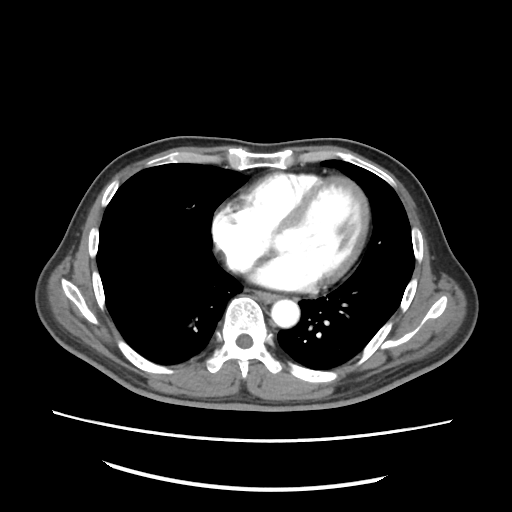
Lower-chest slice from an abdominal CT, just above the liver and spleen; axial view; 54-year-old male patient; acquired on Aquilion ONE; 15 organs annotated in this scan (that count is for the whole scan; organs this slice misses have no box)
Of the structures in the chest, this dataset labels only the esophagus, the aorta and the inferior vena cava; the heart and lungs have no label.
{"organs":{"inferior vena cava":[227,253,252,270],"esophagus":[245,290,279,302],"aorta":[271,299,300,328]}}